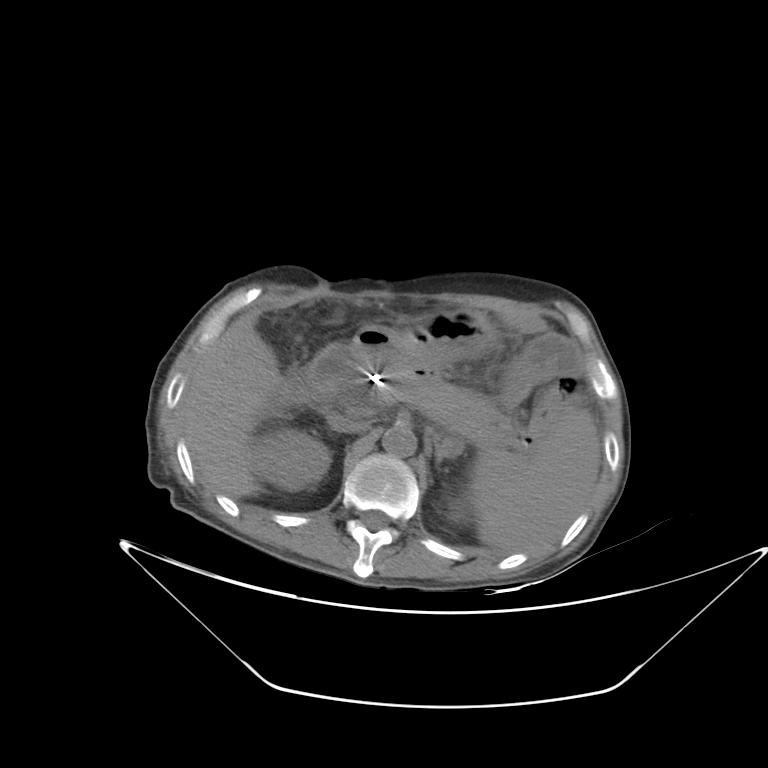
Computed tomography, abdomen; axial plane, index 69
{"organs":{"pancreas":[378,362,500,425],"spleen":[469,410,599,551],"right kidney":[252,427,330,490],"left kidney":[449,501,463,521],"duodenum":[305,339,384,412],"aorta":[382,426,416,457],"liver":[178,310,284,498],"stomach":[354,310,497,369],"inferior vena cava":[327,413,368,432],"left adrenal gland":[434,438,453,463]}}